CT abdomen; axial view; abdomen soft-tissue window; 768x768 px; 71-year-old male patient; acquired on Brilliance16
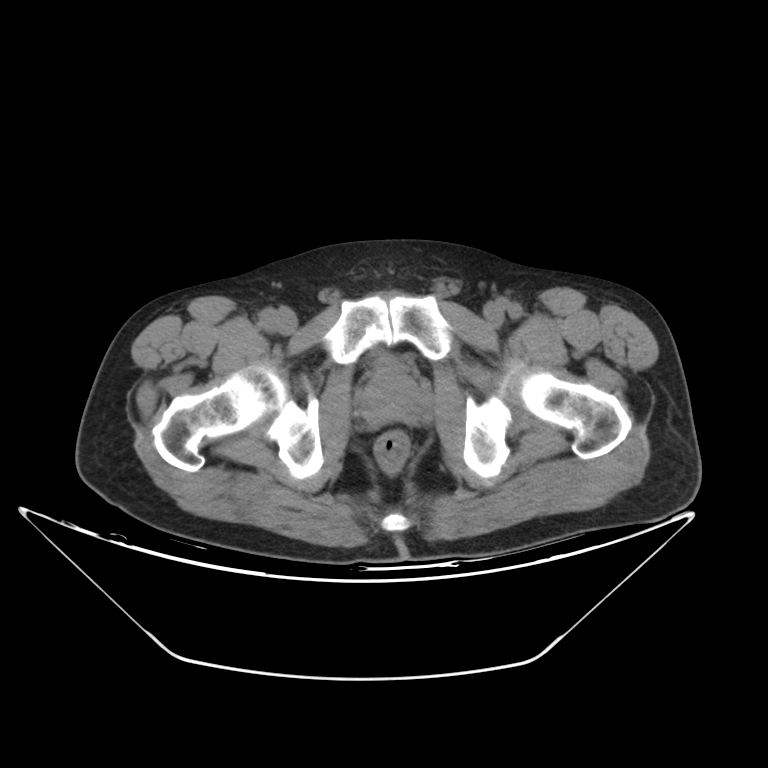

Each box given as x1,y1,x2,y2.
prostate/uterus: x1=361, y1=366, x2=427, y2=428